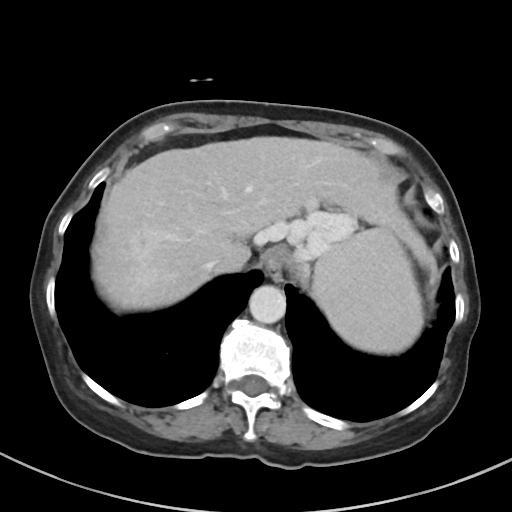 CT, abdomen/pelvis — Axial slice 67/78 — 512x512 px — 15 organs annotated in this scan (counted over the whole 3D scan, not this slice; an organ is boxed only where this slice passes through it)
Each box given as x1,y1,x2,y2.
liver: x1=92, y1=136, x2=431, y2=310
aorta: x1=249, y1=285, x2=286, y2=323
inferior vena cava: x1=204, y1=253, x2=224, y2=273
esophagus: x1=264, y1=250, x2=288, y2=281
spleen: x1=312, y1=229, x2=423, y2=353